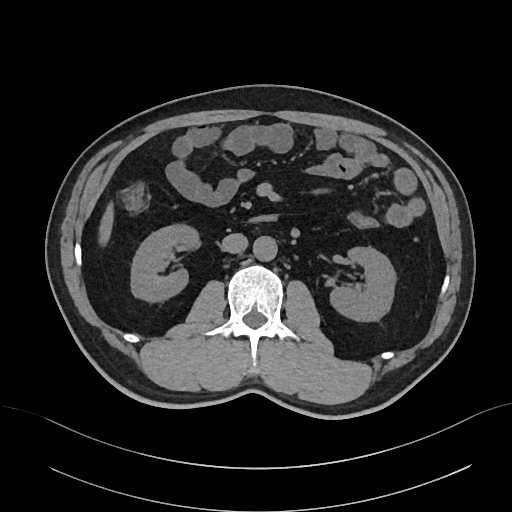 CT, abdomen/pelvis — axial plane, index 156
Box edges are left/top/right/bottom in pixels.
Organ bounding boxes:
- right kidney: left=131, top=224, right=199, bottom=301
- left kidney: left=330, top=247, right=396, bottom=321
- liver: left=98, top=203, right=113, bottom=245
- aorta: left=253, top=236, right=277, bottom=260
- inferior vena cava: left=221, top=233, right=248, bottom=253
- duodenum: left=254, top=216, right=273, bottom=220